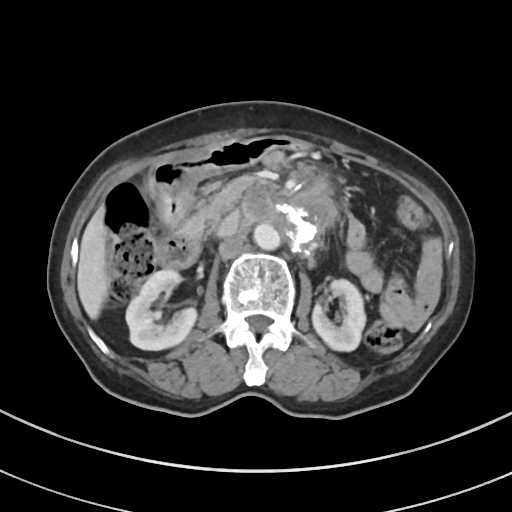
Abdominal CT — axial view — W/L 400/40 HU — acquired on SOMATOM Force
<organs><organ name="pancreas" x1="181" y1="177" x2="251" y2="235"/><organ name="duodenum" x1="159" y1="218" x2="364" y2="267"/><organ name="aorta" x1="253" y1="223" x2="280" y2="250"/><organ name="left kidney" x1="312" y1="279" x2="365" y2="351"/><organ name="right kidney" x1="126" y1="269" x2="196" y2="350"/><organ name="stomach" x1="148" y1="137" x2="309" y2="227"/><organ name="liver" x1="77" y1="207" x2="107" y2="318"/><organ name="inferior vena cava" x1="218" y1="212" x2="239" y2="237"/></organs>